CT, abdomen/pelvis · axial plane, index 25 · 55-year-old male patient · 15 organs annotated in this scan (counted over the whole 3D scan, not this slice; an organ is boxed only where this slice passes through it)
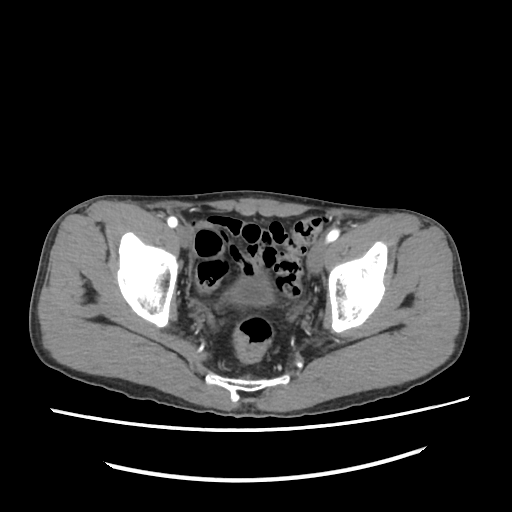
Boxes: x1 y1 x2 y2 (pixel coords, space-separated). The annotated organs in this slice are: bladder at 233 274 271 304.